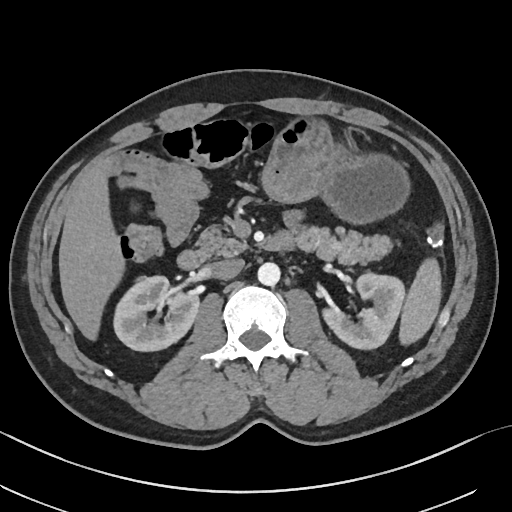 CT abdomen — Axial slice 147/307 — 15 organs annotated in this scan (that count is for the whole scan; organs this slice misses have no box)
One row per box, in pixels: columns x1 and y1 give the top-left corner, x2 and y2 the bottom-right.
| organ | x1 | y1 | x2 | y2 |
|---|---|---|---|---|
| spleen | 399 | 258 | 441 | 345 |
| right kidney | 113 | 276 | 198 | 351 |
| left kidney | 323 | 273 | 405 | 348 |
| liver | 59 | 165 | 124 | 340 |
| stomach | 261 | 118 | 409 | 224 |
| aorta | 257 | 262 | 280 | 285 |
| inferior vena cava | 209 | 258 | 244 | 279 |
| pancreas | 197 | 225 | 392 | 264 |
| duodenum | 177 | 231 | 294 | 269 |